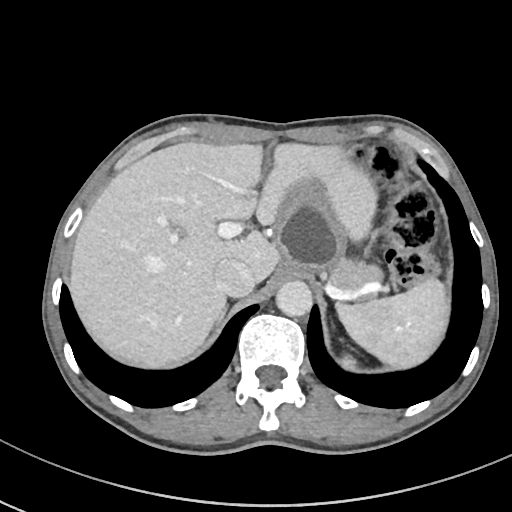 Computed tomography, abdomen; axial view; abdomen soft-tissue window; SOMATOM Force scanner
Boxes: x1 y1 x2 y2 (pixel coords, space-separated).
Organ bounding boxes:
- spleen: 335 278 450 368
- left kidney: 341 353 357 370
- liver: 68 141 376 370
- stomach: 274 177 345 275
- aorta: 275 279 311 316
- inferior vena cava: 214 258 255 297
- pancreas: 330 256 382 292
- right adrenal gland: 216 302 230 325